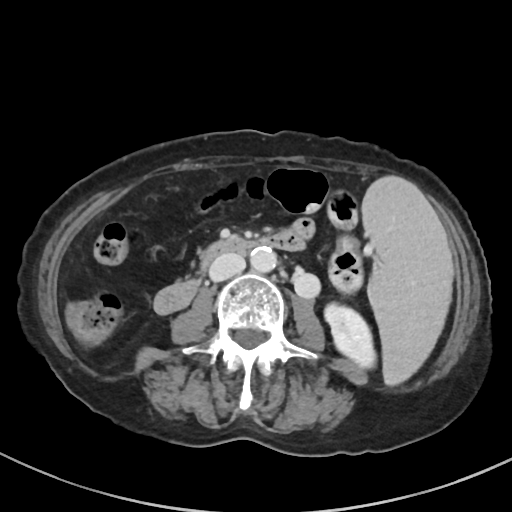

Abdominal CT · axial view · W/L 400/40 HU · 512x512 px
Bounding boxes in pixels, one row per box: x1, y1 is the top-left corner and x2, y2 the bottom-right.
| organ | x1 | y1 | x2 | y2 |
|---|---|---|---|---|
| spleen | 362 | 176 | 452 | 384 |
| left kidney | 324 | 303 | 375 | 368 |
| aorta | 250 | 248 | 276 | 272 |
| inferior vena cava | 209 | 254 | 245 | 281 |
| duodenum | 155 | 231 | 304 | 313 |